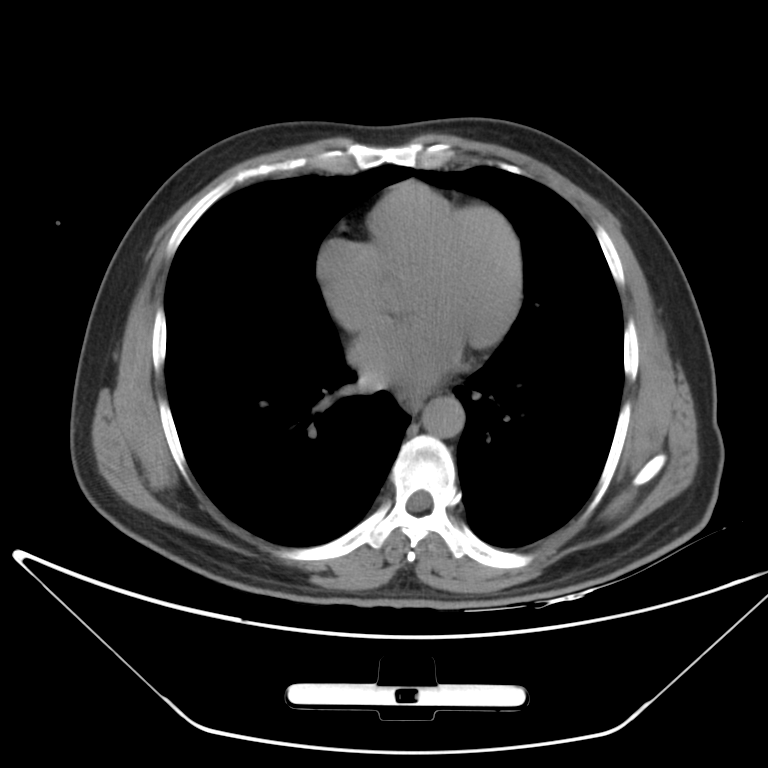 Lower-chest slice from an abdominal CT, just above the liver and spleen — axial plane, index 82 — 768x768 px — 15 organs annotated in this scan (a whole-scan count: organs this slice does not pass through have no box)
The heart and lungs are never labeled in this dataset, so they have no box on this slice.
Boxes are (x1, y1, x2, y2) in pixels.
Organ bounding boxes:
- aorta: (421, 397, 465, 438)
- esophagus: (409, 399, 422, 410)